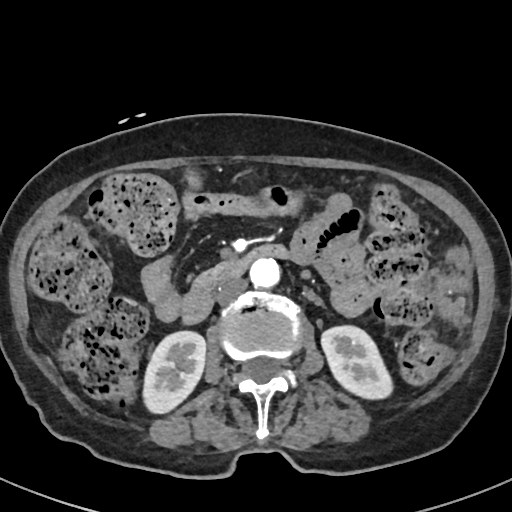

Computed tomography, abdomen · axial view · W/L 400/40 HU · 512x512 px · SOMATOM Force scanner · scan has 15 labeled organs (a whole-scan count: organs this slice does not pass through have no box)
Coordinates as <box>x1,y1,x2,y2</box> in pixels.
Organ bounding boxes:
- right kidney: <box>143,331,205,413</box>
- left kidney: <box>321,325,392,399</box>
- aorta: <box>249,259,280,288</box>
- inferior vena cava: <box>215,278,247,304</box>
- pancreas: <box>194,268,215,284</box>
- duodenum: <box>180,244,288,324</box>